CT, abdomen/pelvis — axial view — abdomen soft-tissue window — scan has 15 labeled organs (a whole-scan count: organs this slice does not pass through have no box)
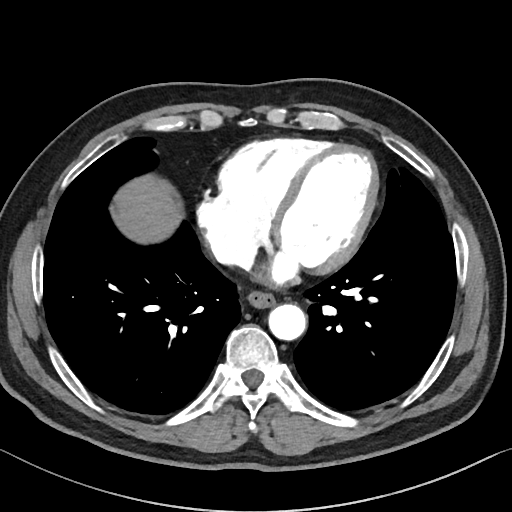 Box edges are left/top/right/bottom in pixels.
Organ bounding boxes:
- esophagus: left=247, top=292, right=275, bottom=309
- aorta: left=268, top=304, right=306, bottom=341
- liver: left=113, top=178, right=178, bottom=240